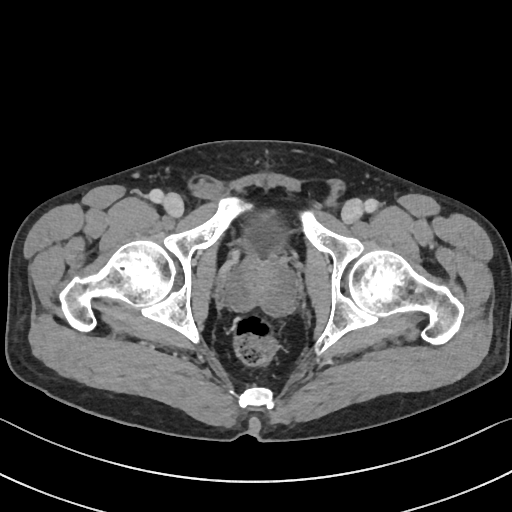
CT abdomen — axial view — W/L 400/40 HU — 512x512 px — acquired on SOMATOM Force
Boxes: x1 y1 x2 y2 (pixel coords, space-separated).
Organ bounding boxes:
- bladder: 241 209 289 255
- prostate/uterus: 226 255 297 315